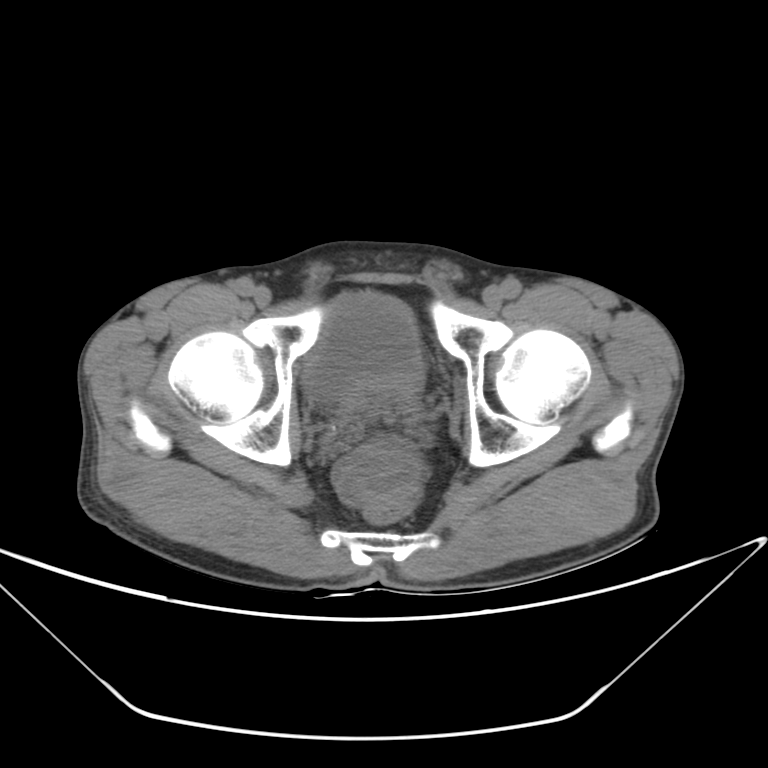

CT, abdomen/pelvis; axial view; 53-year-old male patient
{"organs":{"prostate/uterus":[352,378,391,394],"bladder":[303,291,422,398]}}